CT abdomen. Axial slice 53/89. 68-year-old male patient. acquired on Aquilion ONE. 15 organs annotated in this scan (a whole-scan count: organs this slice does not pass through have no box)
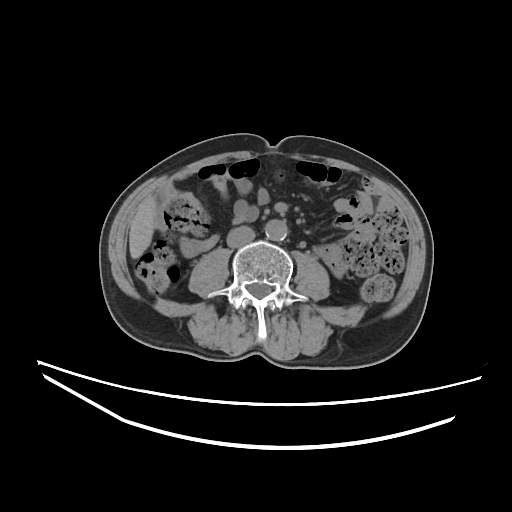 Each box given as x1,y1,x2,y2.
Organ bounding boxes:
- inferior vena cava: x1=226, y1=226, x2=255, y2=247
- liver: x1=129, y1=196, x2=155, y2=258
- aorta: x1=265, y1=219, x2=287, y2=241